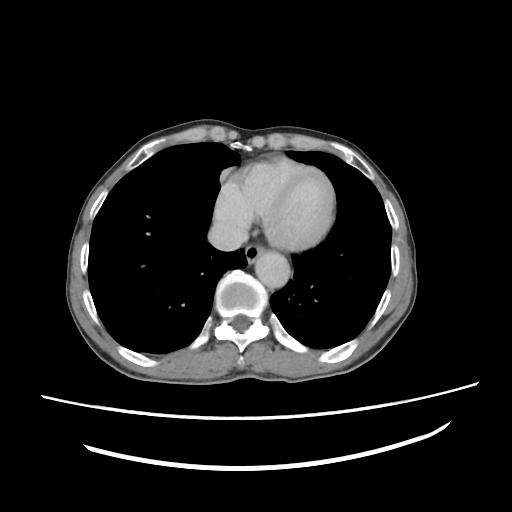
CT of the abdomen reaching into the lower chest, slice just above the liver and spleen. axial plane, index 80. soft-tissue window (W 400 / L 40)
No part of the heart or lungs is labeled in this dataset, so neither has a box here.
<organs><organ name="inferior vena cava" x1="209" y1="221" x2="248" y2="251"/><organ name="esophagus" x1="245" y1="242" x2="265" y2="262"/><organ name="aorta" x1="254" y1="252" x2="290" y2="289"/></organs>